CT abdomen · axial view · soft-tissue window
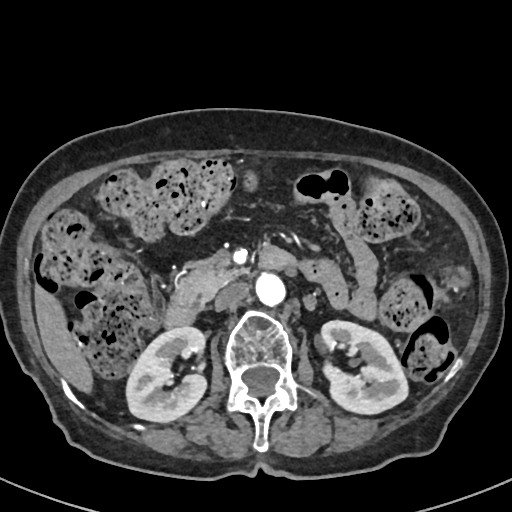

Coordinates as <box>x1,y1,x2,y2</box> in pixels.
Organ bounding boxes:
- right kidney: <box>125,327,207,422</box>
- left kidney: <box>323,320,408,414</box>
- liver: <box>35,285,93,395</box>
- aorta: <box>256,275,285,307</box>
- inferior vena cava: <box>214,282,249,309</box>
- pancreas: <box>171,264,242,303</box>
- duodenum: <box>165,247,296,327</box>